Computed tomography, abdomen. axial view. 50-year-old male patient. 15 organs annotated in this scan (counted over the whole 3D scan, not this slice; an organ is boxed only where this slice passes through it)
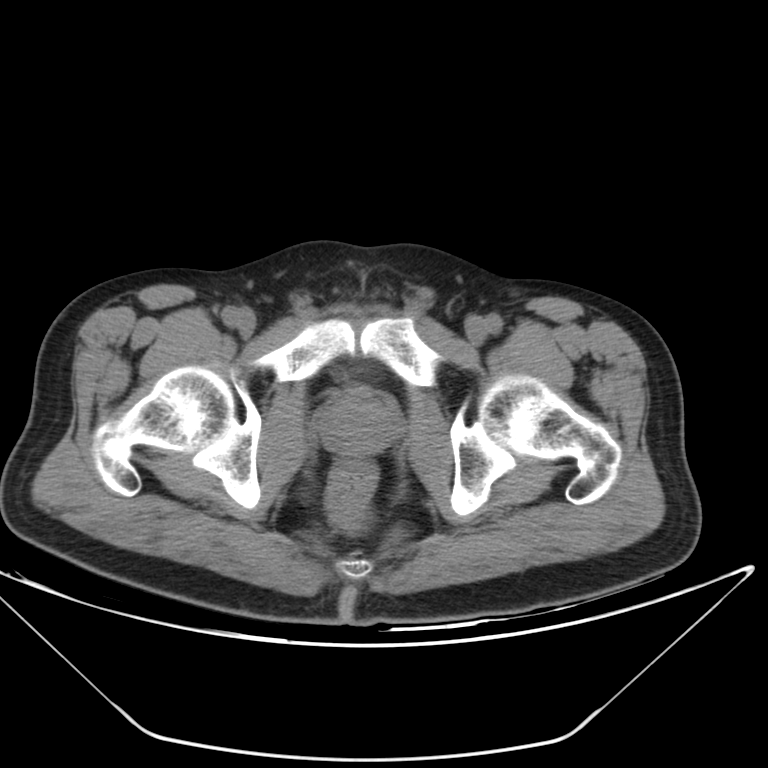 <organs><organ name="prostate/uterus" x1="318" y1="390" x2="398" y2="456"/></organs>